CT abdomen; axial plane, index 64; abdomen soft-tissue window
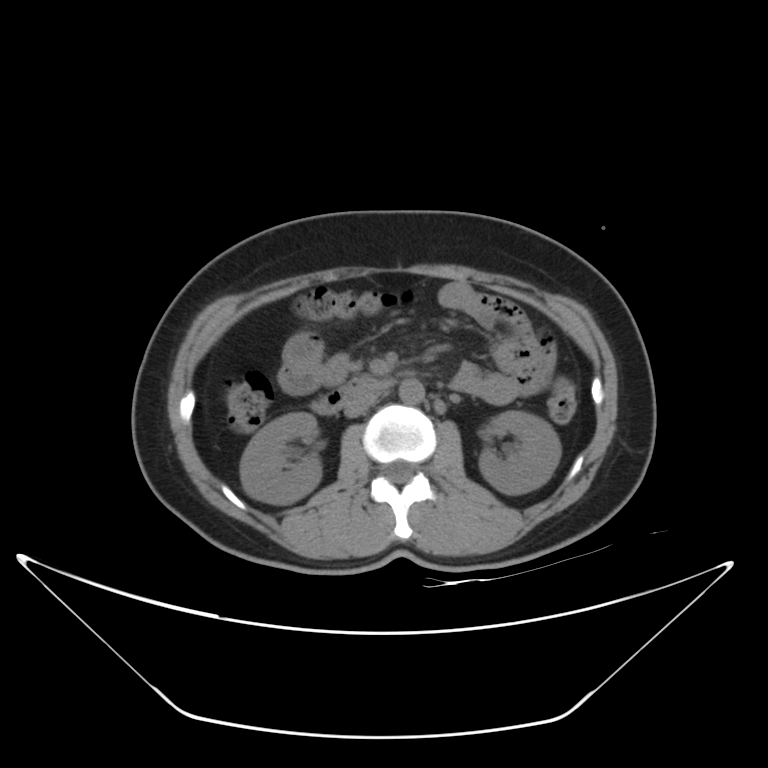

<organs><organ name="left kidney" x1="478" y1="411" x2="560" y2="494"/><organ name="duodenum" x1="311" y1="377" x2="390" y2="414"/><organ name="inferior vena cava" x1="344" y1="387" x2="380" y2="417"/><organ name="pancreas" x1="364" y1="376" x2="370" y2="378"/><organ name="right kidney" x1="240" y1="412" x2="321" y2="504"/><organ name="aorta" x1="399" y1="379" x2="423" y2="403"/></organs>